Chest-level CT slice, above the liver and spleen · Axial slice 286/306 · 15 organs annotated in this scan (counted over the whole 3D scan, not this slice; an organ is boxed only where this slice passes through it)
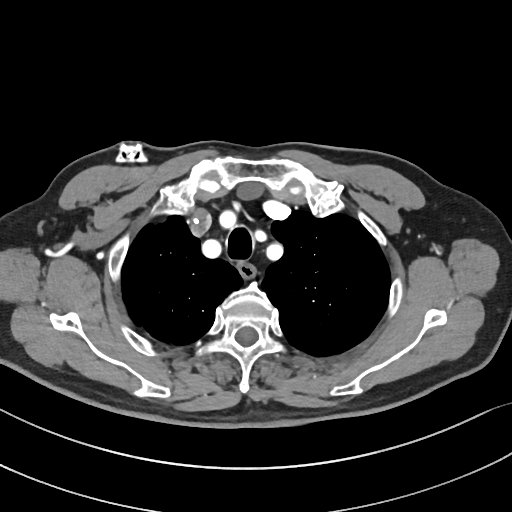
At this level of the chest no structure but the esophagus and the aorta has a label in this dataset, and those two are boxed only where they are labeled.
Bounding boxes in pixels, one row per box: x1, y1 is the top-left corner and x2, y2 the bottom-right.
| organ | x1 | y1 | x2 | y2 |
|---|---|---|---|---|
| esophagus | 239 | 263 | 255 | 278 |